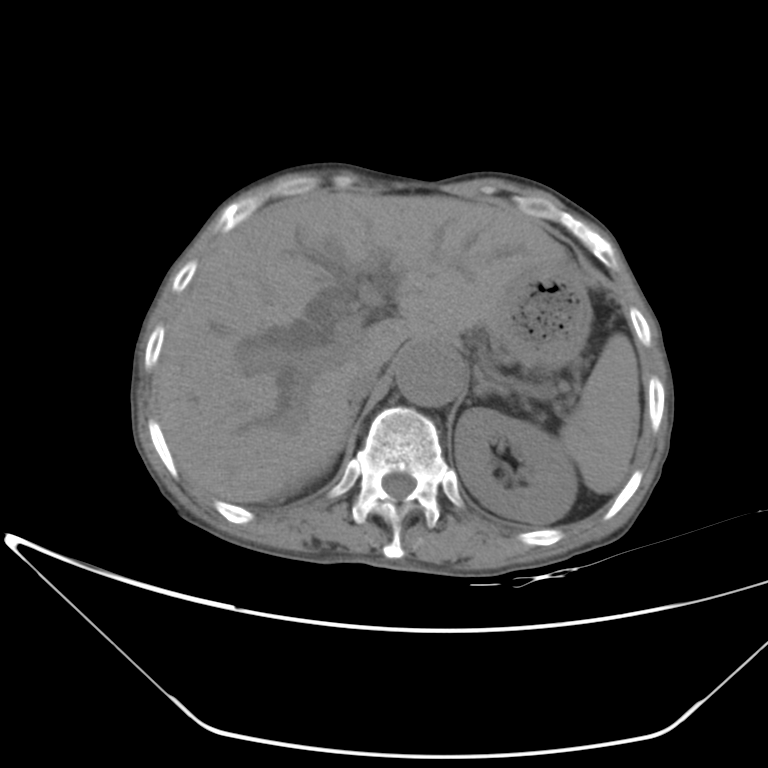
CT, abdomen/pelvis · axial view · abdomen soft-tissue window · 768x768 px · 66-year-old male patient
Coordinates as <box>x1,y1,x2,y2</box> in pixels. 8 labeled organs on this slice — spleen at <box>560,333,640,493</box>; left kidney at <box>455,408,577,523</box>; liver at <box>156,192,567,502</box>; stomach at <box>490,261,592,369</box>; aorta at <box>395,344,465,407</box>; inferior vena cava at <box>344,359,382,402</box>; right adrenal gland at <box>354,404,358,415</box>; left adrenal gland at <box>473,367,507,393</box>.